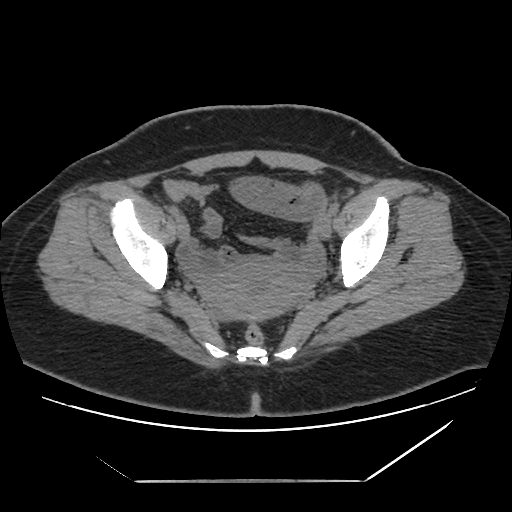
Abdominal CT · axial view · 512x512 px · SOMATOM Force scanner
Boxes are (x1, y1, x2, y2) in pixels. 1 labeled organ on this slice — prostate/uterus at (202, 258, 306, 321).